CT of the abdomen extending into the chest, slice through the chest — axial view — 65-year-old male patient — 15 organs annotated in this scan (a whole-scan count: organs this slice does not pass through have no box)
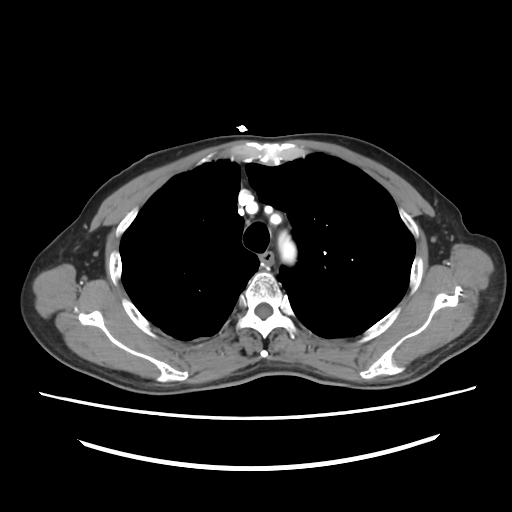
At this level of the chest this dataset labels only the esophagus and the aorta, and each is boxed only where it is labeled; the heart and lungs are never labeled.
<organs><organ name="esophagus" x1="260" y1="252" x2="272" y2="263"/><organ name="aorta" x1="278" y1="233" x2="296" y2="263"/></organs>